Abdominal CT. axial view. soft-tissue window (W 400 / L 40). 512x512 px. scan has 15 labeled organs (counted over the whole 3D scan, not this slice; an organ is boxed only where this slice passes through it)
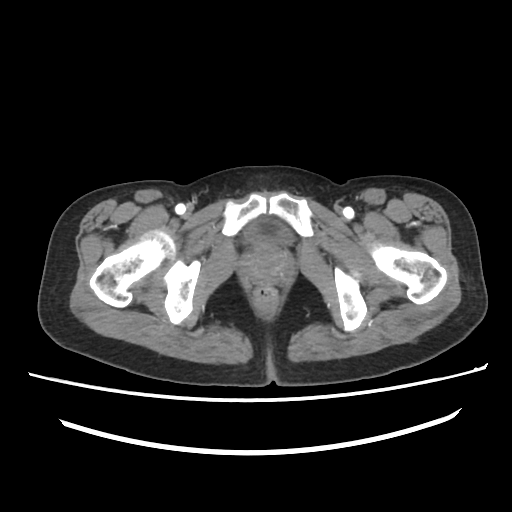
Boxes: x1:y1:x2:y2 in pixels.
Organ bounding boxes:
- bladder: 247:221:290:242
- prostate/uterus: 245:248:284:281